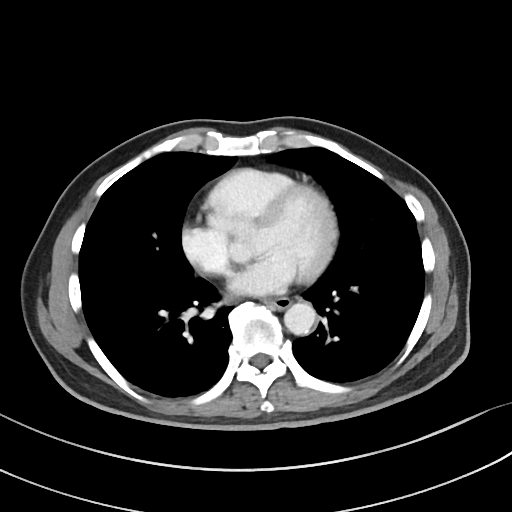 CT of the abdomen reaching into the lower chest, slice just above the liver and spleen. axial view. soft-tissue window
No part of the heart or lungs is labeled in this dataset, so neither has a box here.
Bounding boxes in pixels, one row per box: x1, y1 is the top-left corner and x2, y2 the bottom-right.
| organ | x1 | y1 | x2 | y2 |
|---|---|---|---|---|
| esophagus | 268 | 297 | 290 | 309 |
| aorta | 284 | 303 | 315 | 334 |